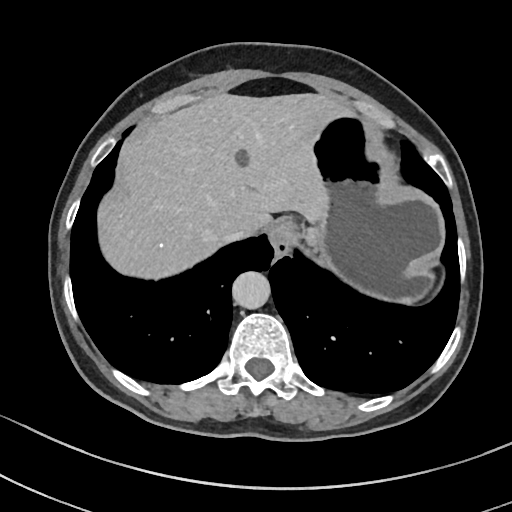
CT abdomen. axial view. soft-tissue window (W 400 / L 40). 512x512 px
Box edges are left/top/right/bottom in pixels. 5 labeled organs on this slice — aorta at left=232, top=271, right=270, bottom=309; inferior vena cava at left=220, top=234, right=247, bottom=242; stomach at left=299, top=112, right=444, bottom=302; esophagus at left=270, top=219, right=295, bottom=256; liver at left=97, top=93, right=349, bottom=279.